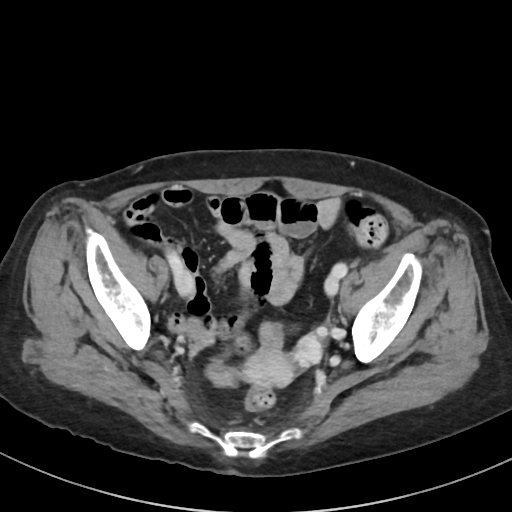 Abdominal CT — axial plane, index 18 — 512x512 px
{"organs":{"prostate/uterus":[243,349,294,386]}}